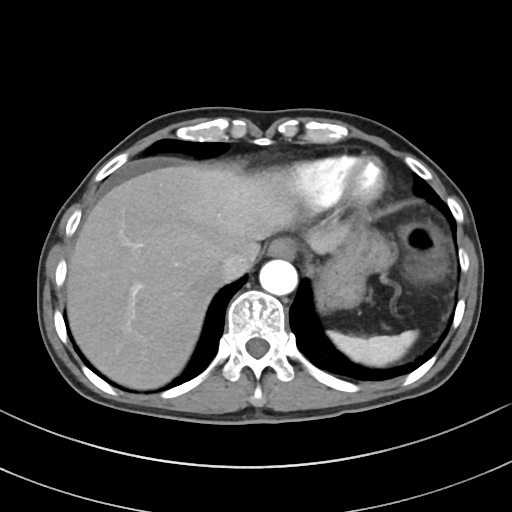 Computed tomography, abdomen. axial view. soft-tissue window. SOMATOM Force scanner. 15 organs annotated in this scan (a whole-scan count: organs this slice does not pass through have no box)
Boxes: x1 y1 x2 y2 (pixel coords, space-separated).
Organ bounding boxes:
- esophagus: 268 238 297 258
- aorta: 259 259 297 295
- spleen: 328 330 417 366
- inferior vena cava: 220 252 251 280
- liver: 66 165 346 389
- stomach: 315 228 394 311